Computed tomography, abdomen · axial view
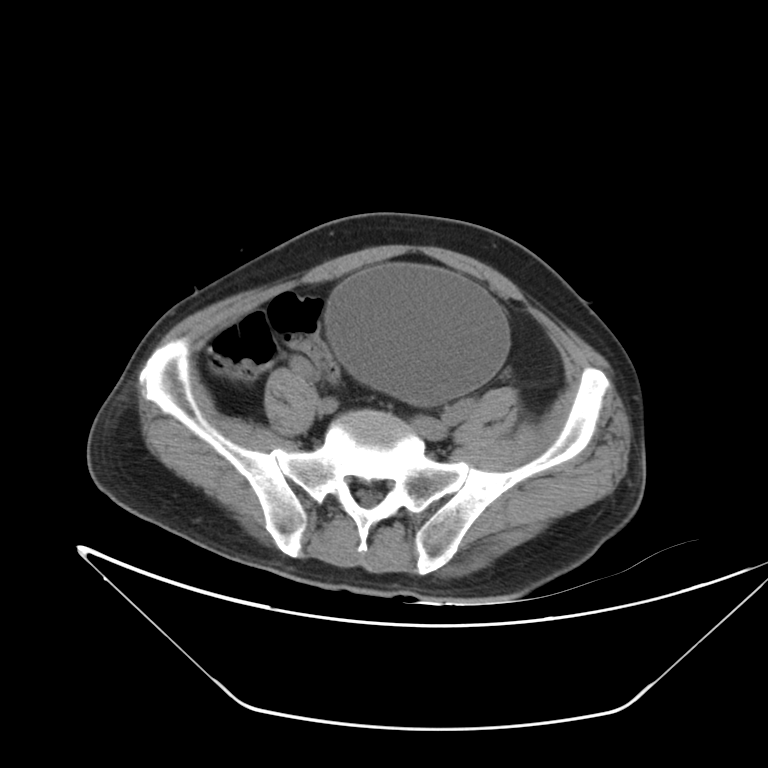
Boxes: x1 y1 x2 y2 (pixel coords, space-separated).
bladder: 328 266 512 405